Computed tomography, abdomen · Axial slice 73/103 · soft-tissue window (W 400 / L 40) · 24-year-old male patient
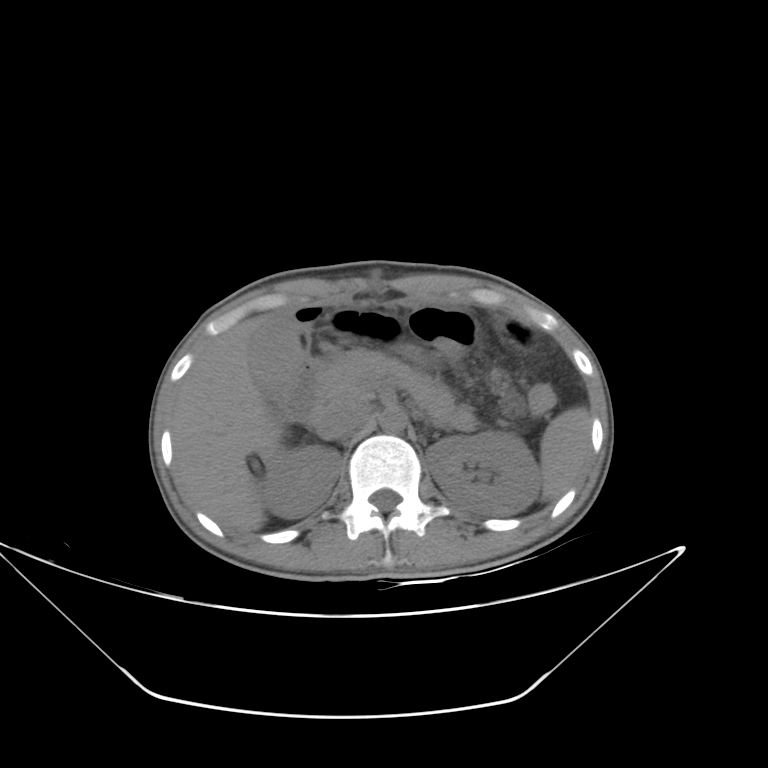

Boxes: x1 y1 x2 y2 (pixel coords, space-separated).
Organ bounding boxes:
- spleen: 540 407 590 500
- inferior vena cava: 314 403 369 439
- duodenum: 278 360 320 422
- liver: 171 314 283 531
- stomach: 503 321 530 343
- aorta: 379 408 406 433
- gall bladder: 247 319 299 393
- right kidney: 258 445 341 518
- left kidney: 426 431 540 515
- pancreas: 318 350 473 427